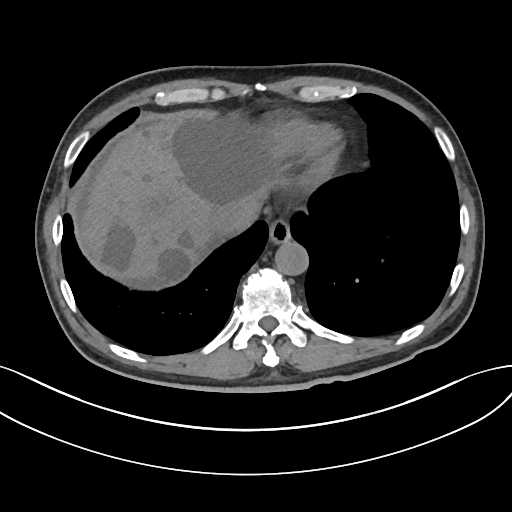

Computed tomography, abdomen — axial view — acquired on SOMATOM Force
<organs><organ name="esophagus" x1="269" y1="219" x2="291" y2="244"/><organ name="liver" x1="79" y1="116" x2="275" y2="282"/><organ name="aorta" x1="275" y1="241" x2="308" y2="275"/><organ name="inferior vena cava" x1="213" y1="199" x2="256" y2="235"/></organs>